Computed tomography, abdomen · axial view · abdomen soft-tissue window · 512x512 px · scan has 15 labeled organs (counted over the whole 3D scan, not this slice; an organ is boxed only where this slice passes through it)
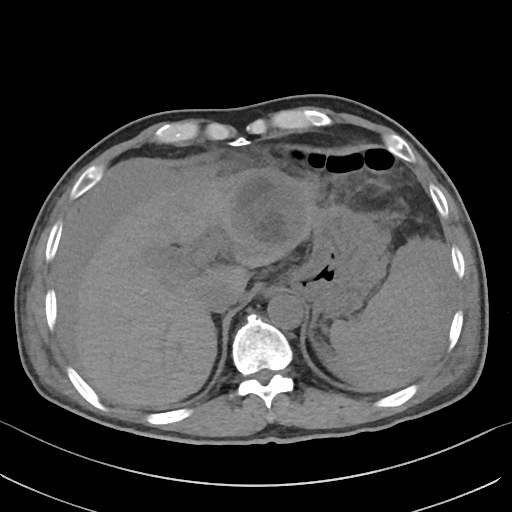
Boxes: x1:y1:x2:y2 in pixels. The annotated organs in this slice are: spleen at 329:244:440:391, liver at 73:167:318:407, stomach at 286:203:388:316, aorta at 267:294:303:329, inferior vena cava at 200:284:240:312.